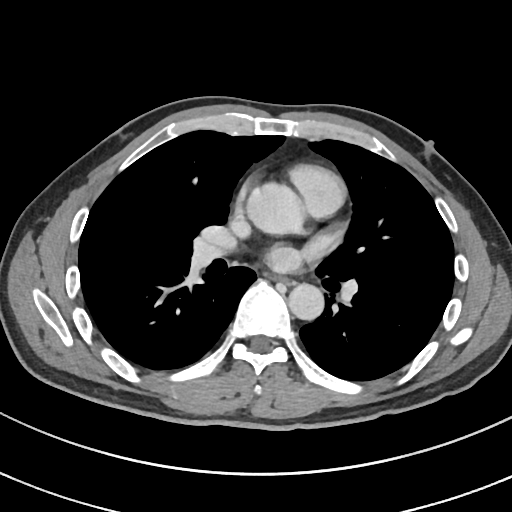

CT of the abdomen extending into the chest, slice through the chest · axial view · soft-tissue window
At this level of the chest this dataset labels only the esophagus and the aorta, and each is boxed only where it is labeled; the heart and lungs are never labeled.
Bounding boxes as [x1, y1, x2, y2] in pixel coordinates.
esophagus: [267, 271, 294, 285]
aorta: [245, 181, 300, 234]
aorta: [287, 283, 323, 320]